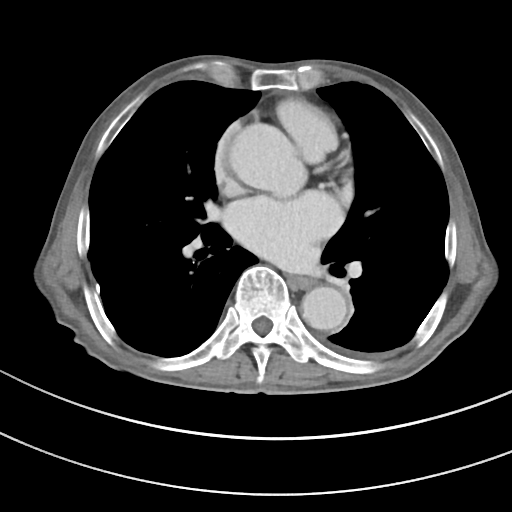

Chest-level CT slice, above the liver and spleen — axial view — W/L 400/40 HU — acquired on SOMATOM Force
At this level of the chest no structure but the esophagus and the aorta has a label in this dataset, and those two are boxed only where they are labeled.
{"organs":{"esophagus":[288,275,314,288],"aorta":[[230,123,307,197],[301,286,347,330]]}}